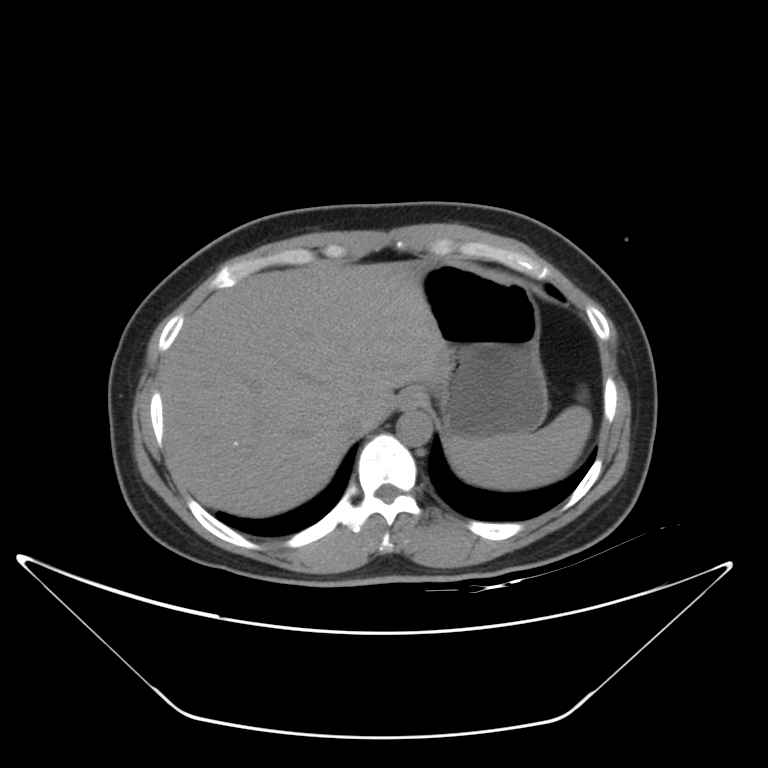 CT, abdomen/pelvis · axial view · soft-tissue window · 39-year-old female patient
<organs><organ name="spleen" x1="448" y1="405" x2="591" y2="489"/><organ name="esophagus" x1="400" y1="389" x2="421" y2="407"/><organ name="liver" x1="160" y1="260" x2="441" y2="516"/><organ name="stomach" x1="411" y1="261" x2="548" y2="439"/><organ name="aorta" x1="396" y1="410" x2="431" y2="446"/><organ name="inferior vena cava" x1="339" y1="416" x2="368" y2="439"/></organs>